CT abdomen — axial view — 512x512 px
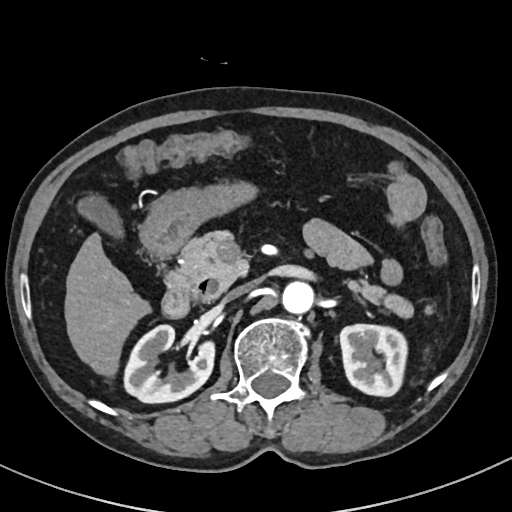 <organs><organ name="right kidney" x1="124" y1="324" x2="214" y2="403"/><organ name="left kidney" x1="340" y1="324" x2="407" y2="396"/><organ name="gall bladder" x1="77" y1="195" x2="123" y2="239"/><organ name="liver" x1="64" y1="233" x2="151" y2="377"/><organ name="stomach" x1="139" y1="180" x2="257" y2="257"/><organ name="aorta" x1="281" y1="281" x2="313" y2="313"/><organ name="inferior vena cava" x1="224" y1="282" x2="253" y2="301"/><organ name="pancreas" x1="179" y1="230" x2="412" y2="316"/><organ name="duodenum" x1="161" y1="270" x2="220" y2="317"/></organs>